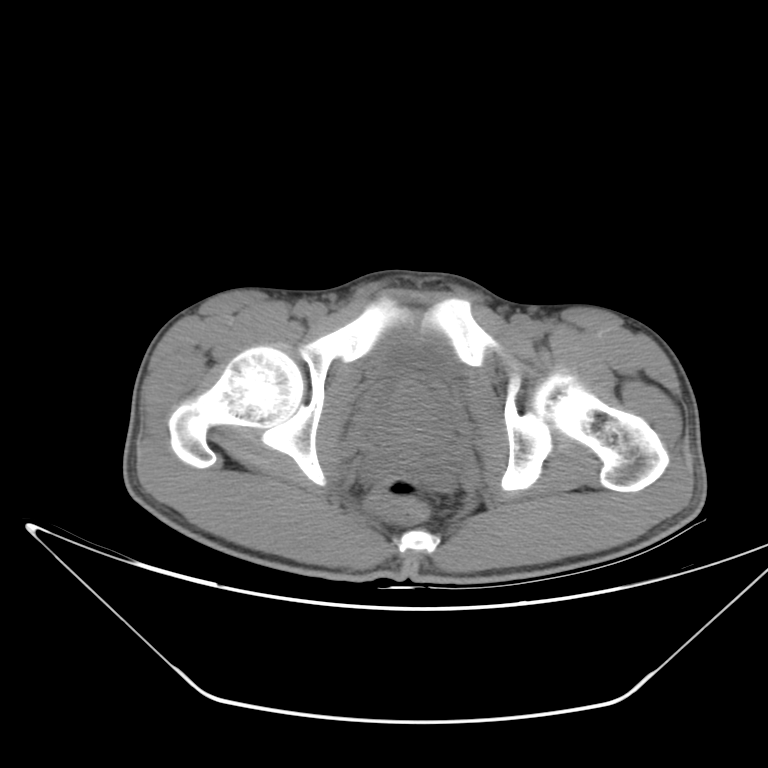
Abdominal CT; axial view; 768x768 px; 39-year-old male patient
Coordinates as <box>x1,y1,x2,y2</box> in pixels.
bladder: <box>374,331,455,391</box>
prostate/uterus: <box>378,379,447,437</box>